CT, abdomen/pelvis. axial view
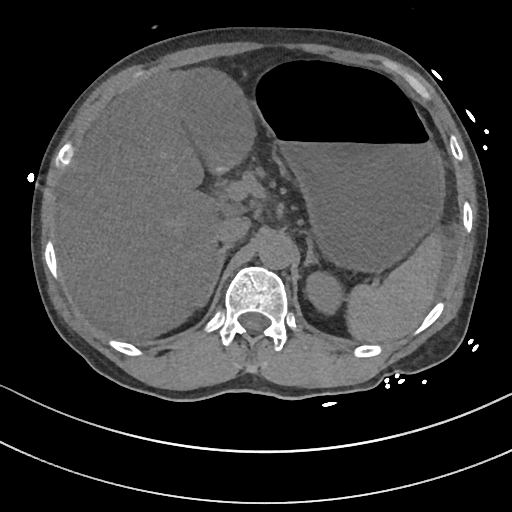
Bounding boxes in pixels, one row per box: x1, y1 is the top-left corner and x2, y2 the bottom-right.
| organ | x1 | y1 | x2 | y2 |
|---|---|---|---|---|
| spleen | 346 | 232 | 443 | 342 |
| left kidney | 305 | 271 | 343 | 314 |
| gall bladder | 184 | 69 | 251 | 174 |
| liver | 56 | 68 | 238 | 340 |
| stomach | 254 | 66 | 444 | 271 |
| aorta | 258 | 231 | 294 | 269 |
| inferior vena cava | 214 | 214 | 250 | 243 |
| right adrenal gland | 203 | 243 | 234 | 305 |
| left adrenal gland | 303 | 237 | 319 | 266 |